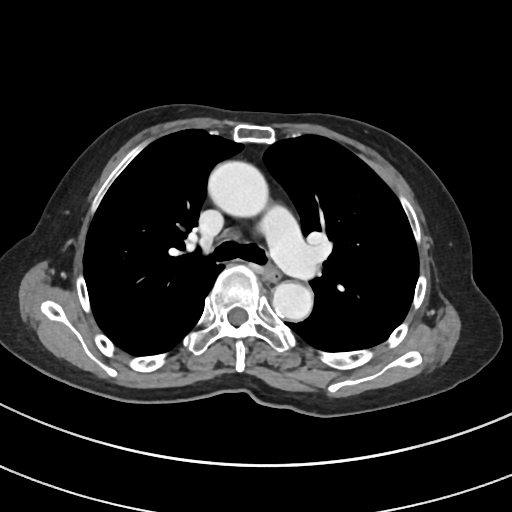
Chest-level CT slice, above the liver and spleen — Axial slice 237/284 — 512x512 px — SOMATOM Force scanner — 15 organs annotated in this scan (counted over the whole 3D scan, not this slice; an organ is boxed only where this slice passes through it)
At this level of the chest this dataset labels only the esophagus and the aorta, and each is boxed only where it is labeled; the heart and lungs are never labeled. Bounding boxes as [x1, y1, x2, y2] in pixel coordinates. 2 labeled organs on this slice — esophagus at [264, 267, 280, 282]; aorta at [206, 160, 266, 215]; aorta at [272, 282, 312, 321].